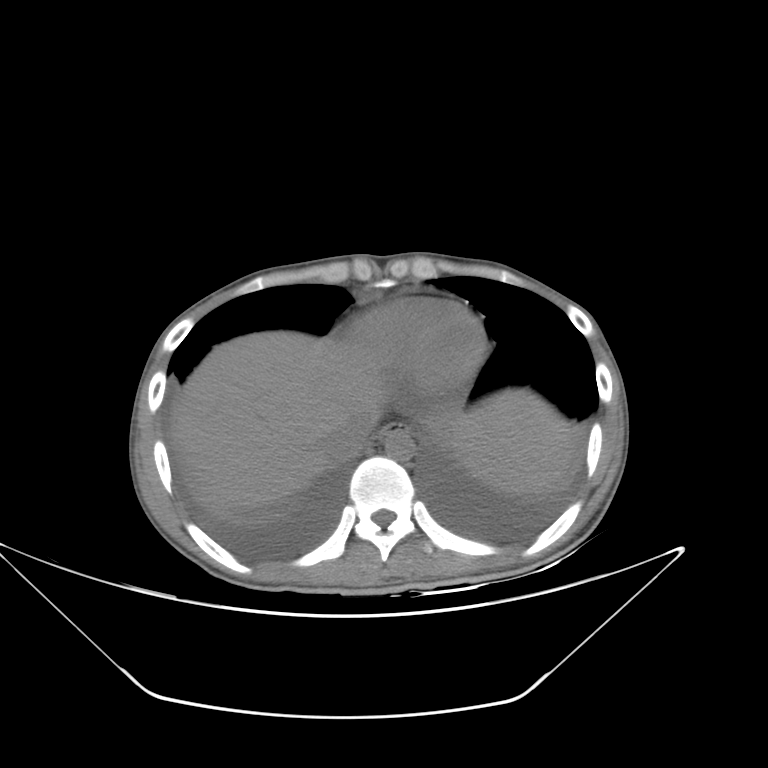 CT, abdomen/pelvis · axial view · abdomen soft-tissue window · 768x768 px · 24-year-old male patient
{"organs":{"esophagus":[379,423,412,436],"liver":[171,331,579,514],"aorta":[384,432,414,460],"inferior vena cava":[322,413,375,461]}}